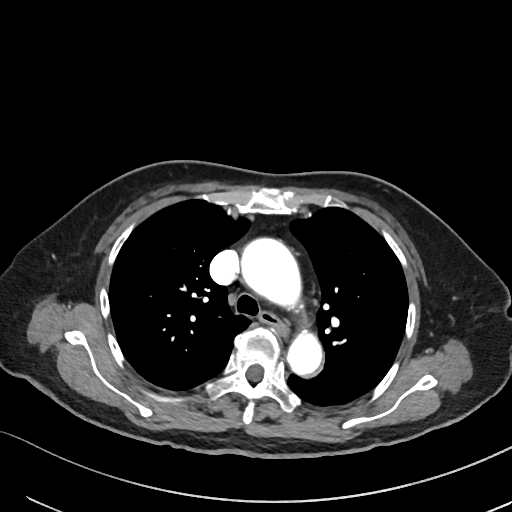

Chest-level slice from an abdominal CT that extends up into the chest · axial view · 512x512 px · SOMATOM Force scanner · scan has 15 labeled organs (counted over the whole 3D scan, not this slice; an organ is boxed only where this slice passes through it)
At this level of the chest no structure but the esophagus and the aorta has a label in this dataset, and those two are boxed only where they are labeled.
{"organs":{"esophagus":[258,311,286,335],"aorta":[[240,238,305,310],[287,327,323,378]]}}